CT, abdomen/pelvis · axial view · abdomen soft-tissue window · 512x512 px · acquired on SOMATOM Force · 15 organs annotated in this scan (a whole-scan count: organs this slice does not pass through have no box)
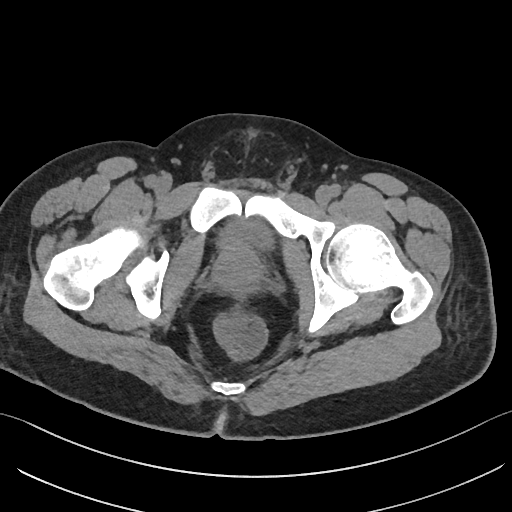
Boxes are (x1, y1, x2, y2) in pixels.
Organ bounding boxes:
- bladder: (218, 219, 273, 249)
- prostate/uterus: (215, 245, 261, 286)